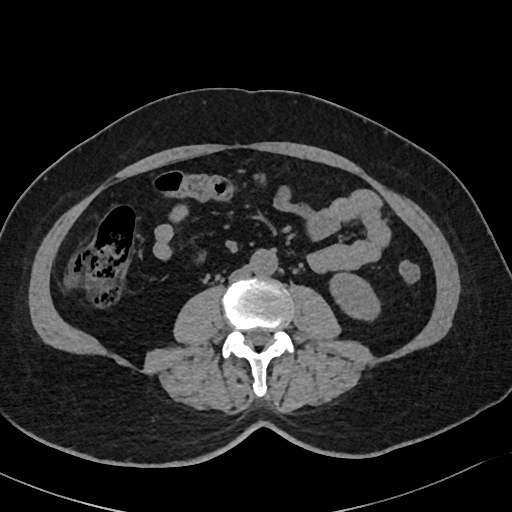

CT abdomen — axial view — 512x512 px — 15 organs annotated in this scan (a whole-scan count: organs this slice does not pass through have no box)
<organs><organ name="left kidney" x1="330" y1="273" x2="379" y2="320"/><organ name="aorta" x1="249" y1="249" x2="277" y2="276"/><organ name="inferior vena cava" x1="228" y1="266" x2="250" y2="281"/></organs>